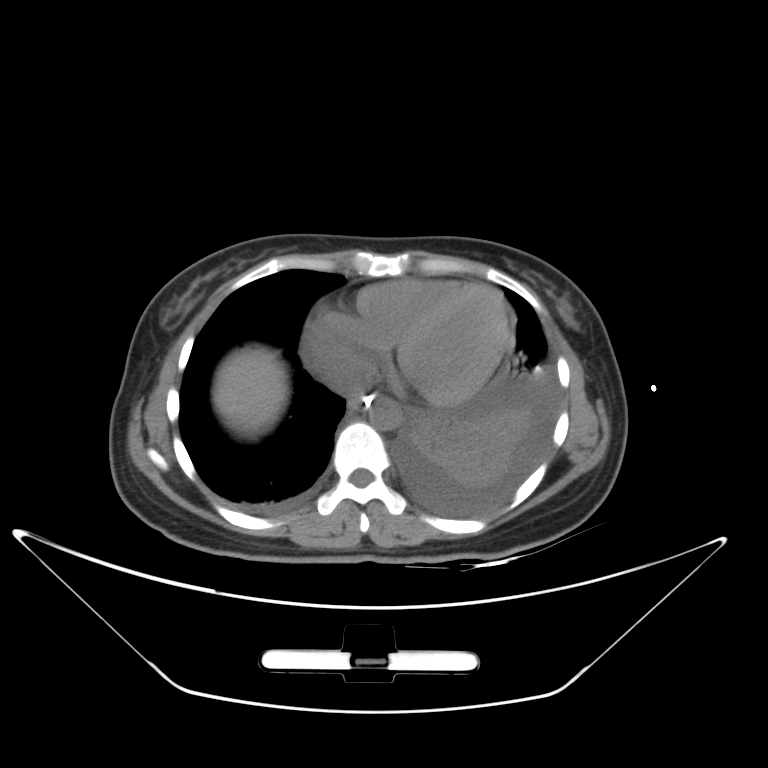 CT abdomen; axial view; soft-tissue window (W 400 / L 40); 768x768 px; scan has 14 labeled organs (counted over the whole 3D scan, not this slice; an organ is boxed only where this slice passes through it)
{"organs":{"esophagus":[347,394,372,410],"liver":[213,346,289,437],"aorta":[367,397,400,429]}}